CT abdomen — Axial slice 126/224 — abdomen soft-tissue window — 512x512 px — scan has 15 labeled organs (that count is for the whole scan; organs this slice misses have no box)
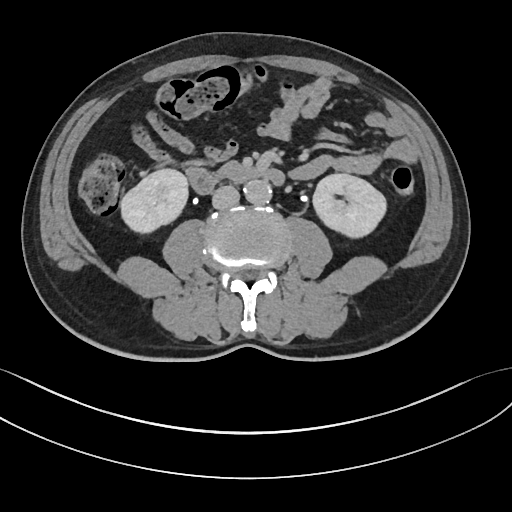
<organs><organ name="right kidney" x1="120" y1="169" x2="188" y2="233"/><organ name="left kidney" x1="313" y1="173" x2="386" y2="237"/><organ name="aorta" x1="244" y1="180" x2="272" y2="204"/><organ name="inferior vena cava" x1="212" y1="185" x2="239" y2="209"/><organ name="duodenum" x1="184" y1="162" x2="284" y2="194"/></organs>